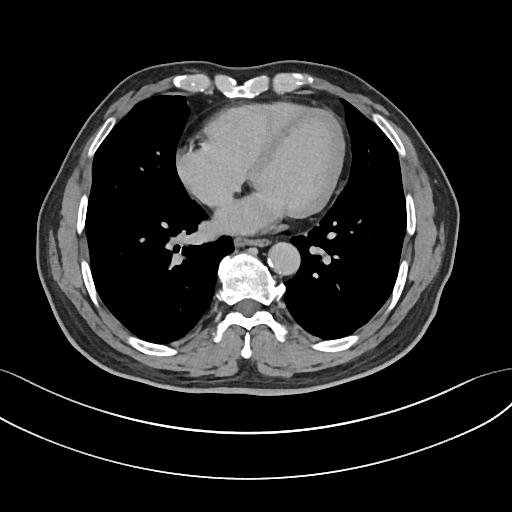
Lower-chest slice from an abdominal CT, just above the liver and spleen. axial view. soft-tissue window, W/L 400/40
Of the structures in the chest, this dataset labels only the esophagus, the aorta and the inferior vena cava; the heart and lungs have no label.
Boxes are (x1, y1, x2, y2) in pixels.
Organ bounding boxes:
- esophagus: (235, 236, 266, 244)
- aorta: (267, 241, 299, 274)